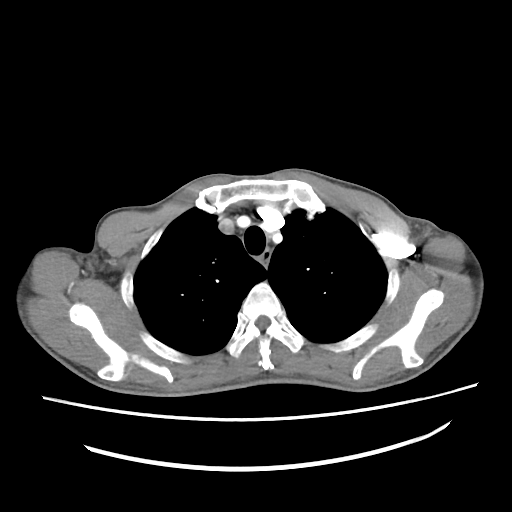 CT of the abdomen extending into the chest, slice through the chest · axial plane, index 122 · soft-tissue window · 512x512 px · 50-year-old male patient
At this level of the chest this dataset labels only the esophagus and the aorta, and each is boxed only where it is labeled; the heart and lungs are never labeled.
Box edges are left/top/right/bottom in pixels.
esophagus: left=259, top=248, right=270, bottom=266